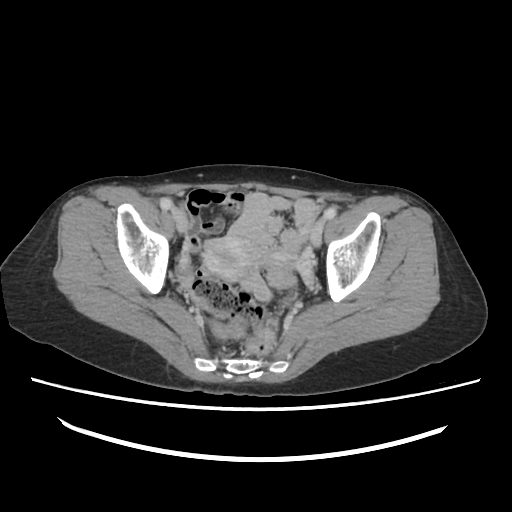 CT, abdomen/pelvis; Axial slice 21/82; 512x512 px; 15 organs annotated in this scan (a whole-scan count: organs this slice does not pass through have no box)
Boxes: x1 y1 x2 y2 (pixel coords, space-separated).
Organ bounding boxes:
- prostate/uterus: 204 234 266 280